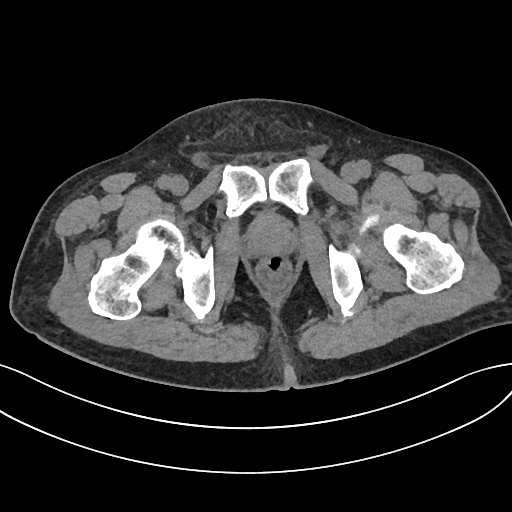

Abdominal CT — axial view — soft-tissue window (W 400 / L 40) — SOMATOM Force scanner
Bounding boxes in pixels, one row per box: x1, y1 is the top-left corner and x2, y2 the bottom-right.
| organ | x1 | y1 | x2 | y2 |
|---|---|---|---|---|
| prostate/uterus | 251 | 219 | 292 | 254 |